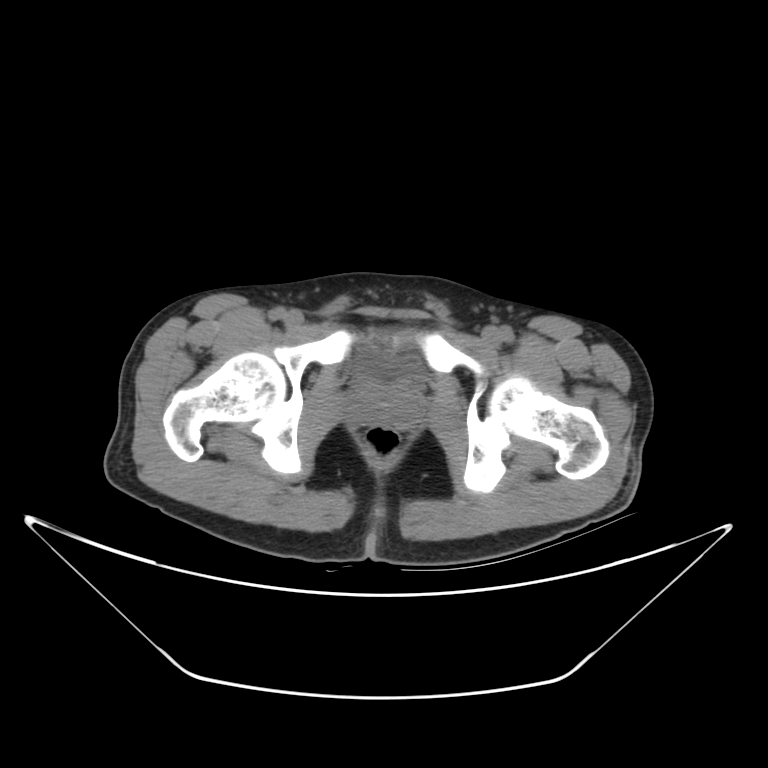

CT abdomen — axial view — soft-tissue window (W 400 / L 40) — 31-year-old male patient — acquired on Brilliance16
One row per box, in pixels: columns x1 and y1 give the top-left corner, x2 and y2 the bottom-right.
| organ | x1 | y1 | x2 | y2 |
|---|---|---|---|---|
| bladder | 354 | 351 | 422 | 373 |
| prostate/uterus | 346 | 376 | 427 | 427 |